CT abdomen. axial view. 512x512 px
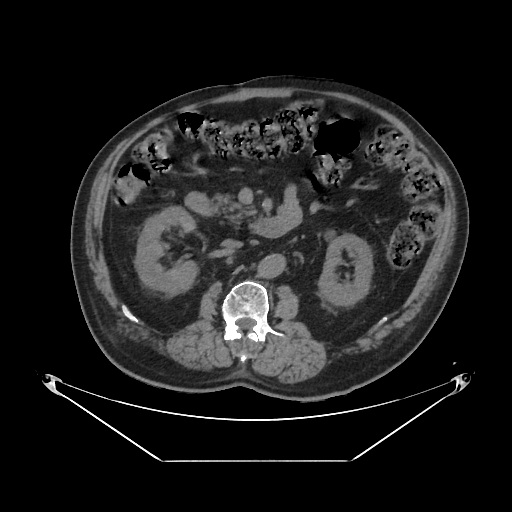
Bounding boxes as [x1, y1, x2, y2] in pixel coordinates.
Organ bounding boxes:
- right kidney: [135, 206, 197, 294]
- left kidney: [319, 233, 372, 305]
- aorta: [259, 253, 285, 277]
- inferior vena cava: [221, 239, 242, 249]
- pancreas: [212, 193, 252, 221]
- duodenum: [185, 193, 292, 238]